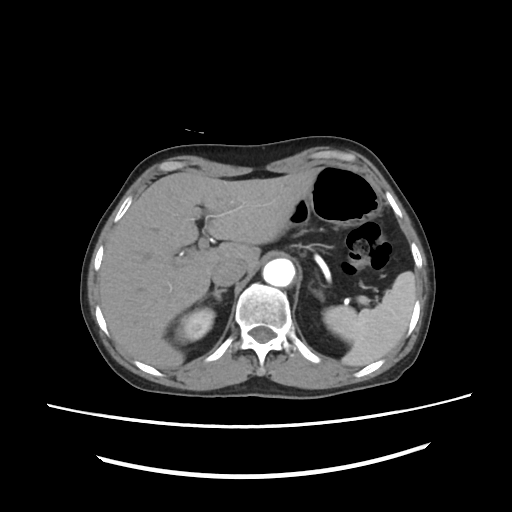

Abdominal CT; axial view; soft-tissue window
Organ boxes in pixel coordinates; each row gives the top-left (x1, y1) and bottom-right (x2, y2) corners.
| organ | x1 | y1 | x2 | y2 |
|---|---|---|---|---|
| liver | 99 | 167 | 319 | 366 |
| left adrenal gland | 312 | 290 | 321 | 297 |
| inferior vena cava | 212 | 261 | 244 | 285 |
| aorta | 264 | 259 | 294 | 285 |
| right kidney | 174 | 307 | 215 | 343 |
| right adrenal gland | 198 | 288 | 225 | 302 |
| stomach | 291 | 163 | 377 | 231 |
| spleen | 324 | 271 | 417 | 368 |